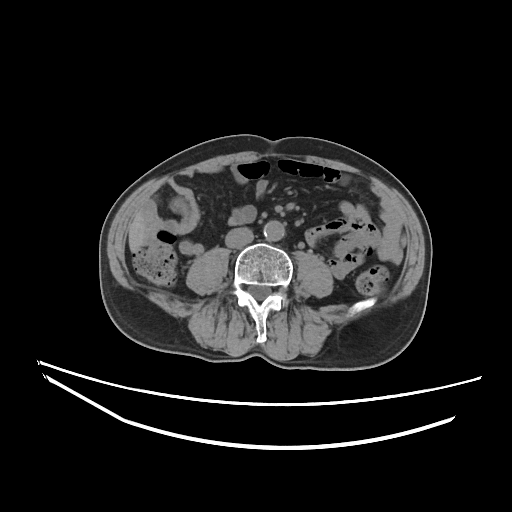

CT, abdomen/pelvis · axial view · 68-year-old male patient
<organs><organ name="liver" x1="129" y1="213" x2="146" y2="251"/><organ name="aorta" x1="263" y1="220" x2="284" y2="241"/><organ name="inferior vena cava" x1="225" y1="227" x2="253" y2="248"/></organs>